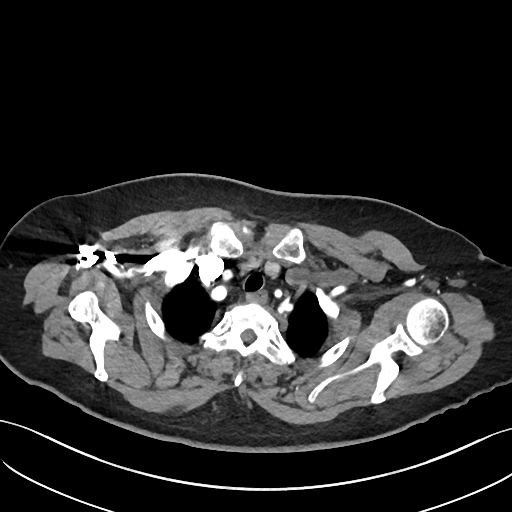
Chest-level slice from an abdominal CT that extends up into the chest; Axial slice 264/276; W/L 400/40 HU; 512x512 px
At this level of the chest no structure but the esophagus and the aorta has a label in this dataset, and those two are boxed only where they are labeled.
<organs><organ name="esophagus" x1="246" y1="292" x2="266" y2="305"/></organs>